Computed tomography, abdomen; axial plane, index 111; W/L 400/40 HU; 512x512 px; 15 organs annotated in this scan (counted over the whole 3D scan, not this slice; an organ is boxed only where this slice passes through it)
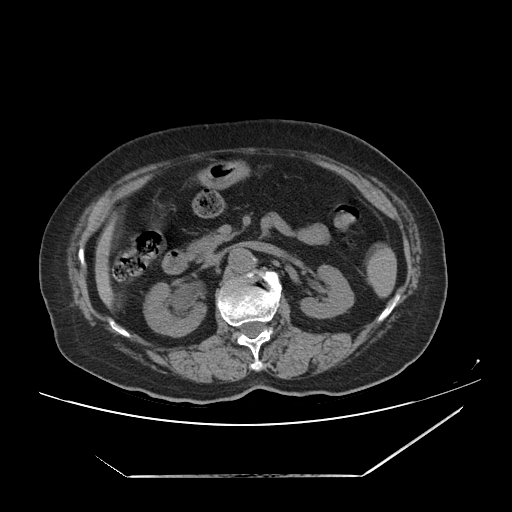
Coordinates as <box>x1,y1,x2,y2</box> in pixels.
Organ bounding boxes:
- duodenum: <box>162,245,194,274</box>
- liver: <box>93,208,120,309</box>
- left kidney: <box>297,266,354,319</box>
- inferior vena cava: <box>204,252,224,267</box>
- stomach: <box>187,159,255,190</box>
- gall bladder: <box>139,204,158,225</box>
- aorta: <box>229,248,254,273</box>
- right kidney: <box>145,283,207,337</box>
- pancreas: <box>187,230,233,257</box>
- spleen: <box>367,246,397,297</box>